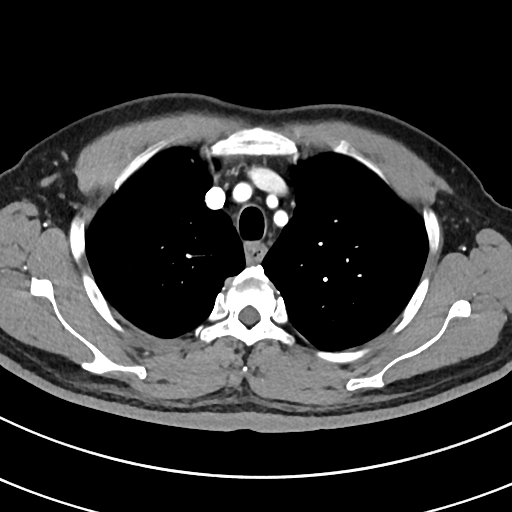

Chest-level CT slice, above the liver and spleen · Axial slice 271/302 · SOMATOM Force scanner · scan has 15 labeled organs (a whole-scan count: organs this slice does not pass through have no box)
On a slice this high in the chest, this dataset labels only the esophagus and the aorta, and each is boxed only where it is labeled; the heart, lungs and other chest structures are not labeled.
{"organs":{"esophagus":[246,244,264,260]}}